Computed tomography, abdomen · axial view
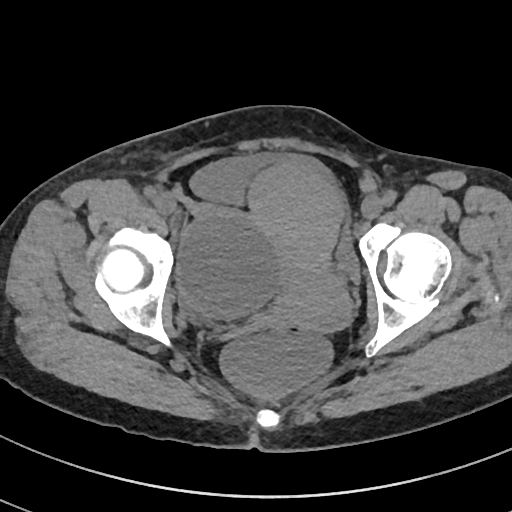
Bounding boxes as [x1, y1, x2, y2] in pixel coordinates.
Organ bounding boxes:
- bladder: [191, 151, 360, 284]
- prostate/uterus: [248, 167, 350, 331]